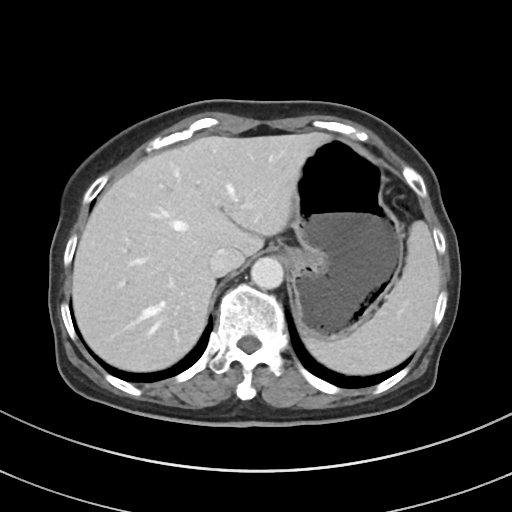
CT abdomen; Axial slice 73/84; acquired on SOMATOM Force
Coordinates as <box>x1,y1,x2,y2</box> in pixels.
Organ bounding boxes:
- liver: <box>71,131,330,371</box>
- inferior vena cava: <box>210,247,244,276</box>
- stomach: <box>285,137,402,340</box>
- spleen: <box>305,221,440,374</box>
- aorta: <box>251,257,283,289</box>